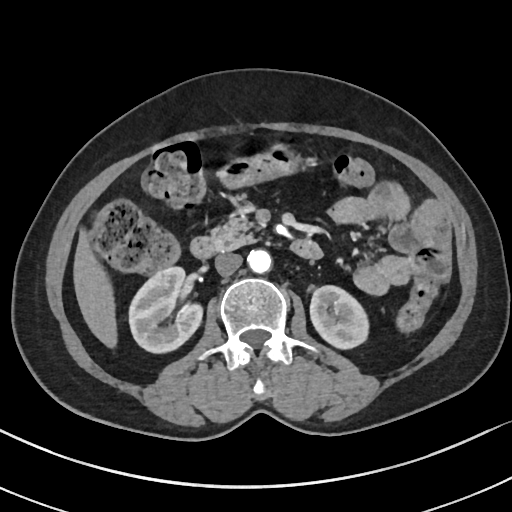 CT abdomen. axial plane, index 133. abdomen soft-tissue window. SOMATOM Force scanner
Box edges are left/top/right/bottom in pixels. Labeled organs on this slice: right kidney at left=129, top=266, right=202, bottom=353, duodenum at left=190, top=236, right=322, bottom=259, stomach at left=217, top=144, right=300, bottom=188, pancreas at left=211, top=195, right=254, bottom=249, aorta at left=247, top=249, right=271, bottom=273, inferior vena cava at left=215, top=253, right=242, bottom=276, left kidney at left=310, top=285, right=368, bottom=348, liver at left=73, top=231, right=117, bottom=348.